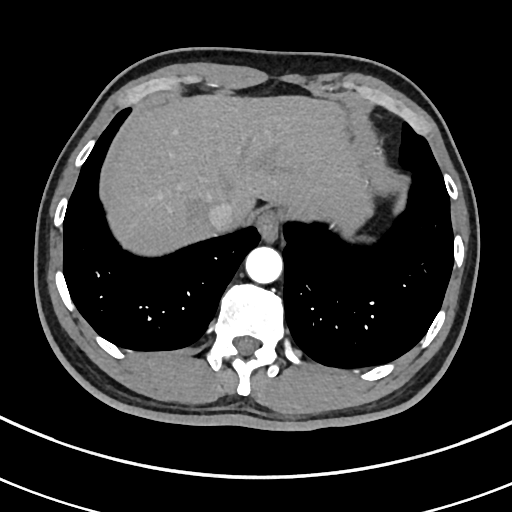
Computed tomography, abdomen — axial plane, index 178 — 15 organs annotated in this scan (counted over the whole 3D scan, not this slice; an organ is boxed only where this slice passes through it)
Bounding boxes as [x1, y1, x2, y2] in pixel coordinates. Labeled organs on this slice: inferior vena cava at [207, 202, 235, 231], liver at [105, 94, 371, 255], aorta at [245, 246, 282, 283], esophagus at [256, 210, 282, 241].